CT abdomen · axial view · W/L 400/40 HU · 39-year-old male patient · 15 organs annotated in this scan (a whole-scan count: organs this slice does not pass through have no box)
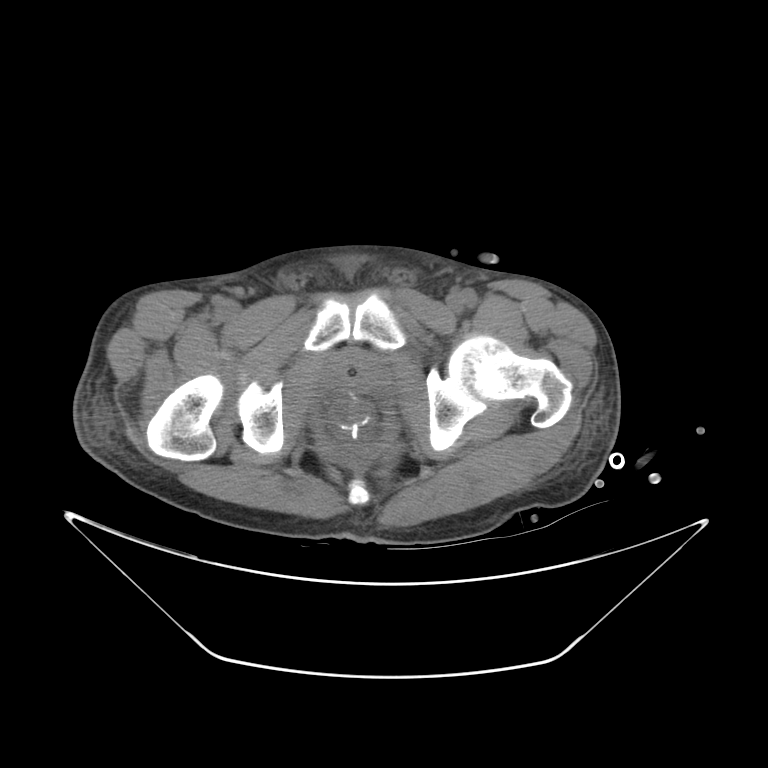
Boxes: x1:y1:x2:y2 in pixels. The annotated organs in this slice are: prostate/uterus at 334:362:378:390.